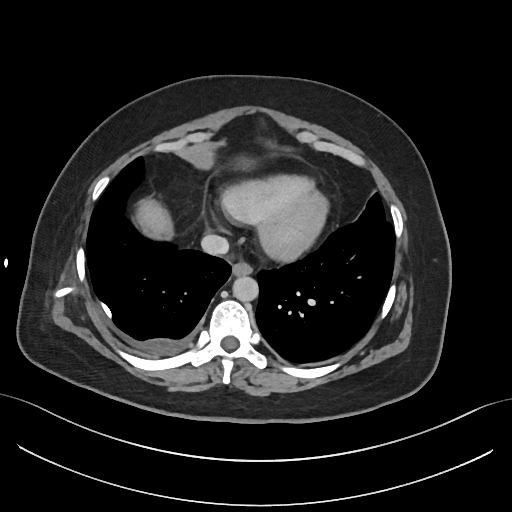 CT abdomen · axial view · acquired on SOMATOM Force · scan has 15 labeled organs (a whole-scan count: organs this slice does not pass through have no box)
<organs><organ name="esophagus" x1="231" y1="262" x2="252" y2="276"/><organ name="liver" x1="140" y1="203" x2="168" y2="234"/><organ name="aorta" x1="232" y1="276" x2="258" y2="301"/><organ name="inferior vena cava" x1="201" y1="234" x2="228" y2="255"/></organs>